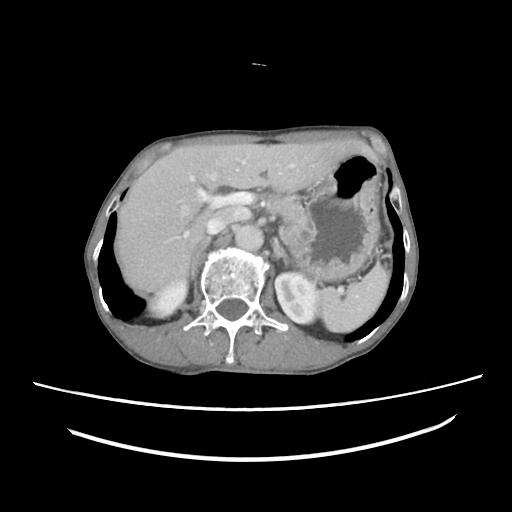

CT, abdomen/pelvis — axial view — W/L 400/40 HU — 512x512 px — 59-year-old male patient
Box edges are left/top/right/bottom in pixels.
Organ bounding boxes:
- aorta: left=235, top=224, right=263, bottom=250
- spleen: left=318, top=264, right=389, bottom=332
- right kidney: left=147, top=280, right=187, bottom=317
- liver: left=115, top=139, right=377, bottom=293
- left adrenal gland: left=273, top=240, right=289, bottom=266
- left kidney: left=275, top=272, right=320, bottom=323
- pancreas: left=267, top=194, right=306, bottom=243
- inferior vena cava: left=206, top=207, right=245, bottom=234
- stomach: left=287, top=154, right=379, bottom=281
- right adrenal gland: left=189, top=236, right=211, bottom=280